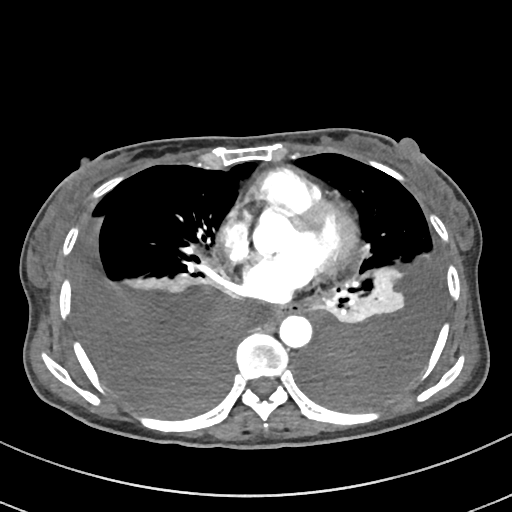
Abdominal CT; this slice is in the lower chest, just above the liver. axial view. 512x512 px. 15 organs annotated in this scan (a whole-scan count: organs this slice does not pass through have no box)
The heart and lungs are never labeled in this dataset, so they have no box on this slice.
Boxes: x1:y1:x2:y2 in pixels.
Organ bounding boxes:
- esophagus: 272:303:301:316
- aorta: 279:315:311:347